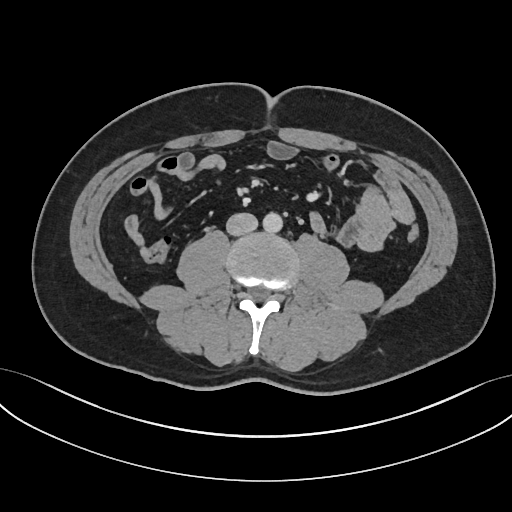 Computed tomography, abdomen. axial plane, index 132. SOMATOM Force scanner. scan has 15 labeled organs (counted over the whole 3D scan, not this slice; an organ is boxed only where this slice passes through it)
{"organs":{"aorta":[262,212,282,233],"inferior vena cava":[226,212,257,236]}}